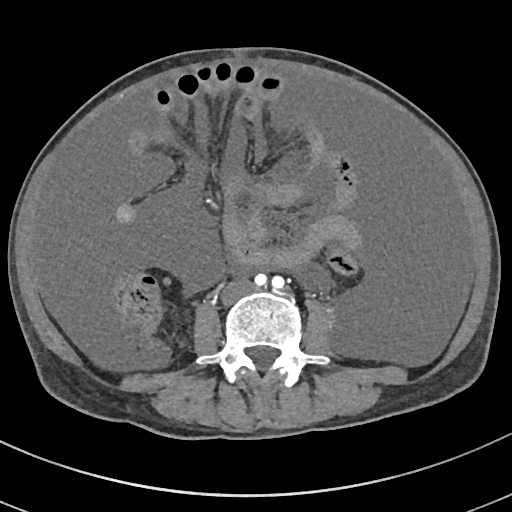

CT abdomen · axial view · 512x512 px
Bounding boxes as [x1, y1, x2, y2] in pixel coordinates.
Organ bounding boxes:
- inferior vena cava: [221, 280, 252, 304]